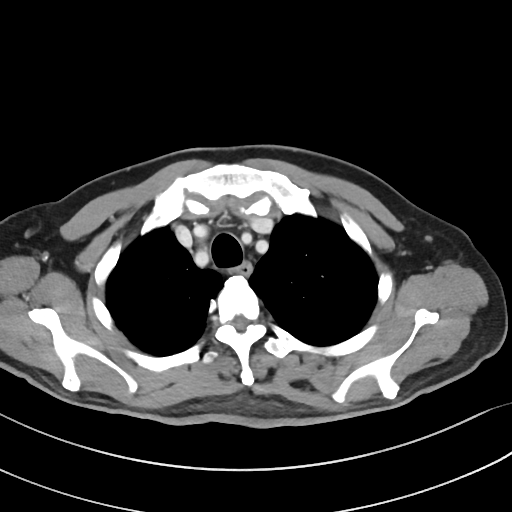

CT of the abdomen extending into the chest, slice through the chest — axial view — 512x512 px
At this level of the chest this dataset labels only the esophagus and the aorta, and each is boxed only where it is labeled; the heart and lungs are never labeled.
<organs><organ name="esophagus" x1="235" y1="261" x2="251" y2="274"/></organs>